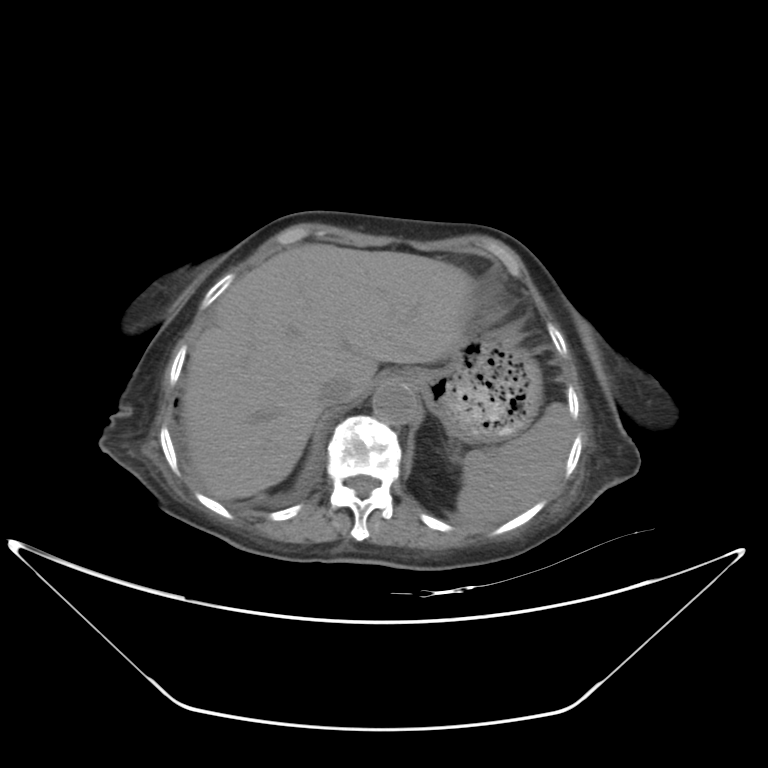

Abdominal CT; axial plane, index 64; soft-tissue window; 768x768 px; female patient aged 90 or older
One row per box, in pixels: columns x1 and y1 give the top-left corner, x2 and y2 the bottom-right.
| organ | x1 | y1 | x2 | y2 |
|---|---|---|---|---|
| liver | 181 | 244 | 473 | 499 |
| stomach | 406 | 327 | 542 | 442 |
| spleen | 457 | 402 | 574 | 523 |
| aorta | 372 | 381 | 416 | 424 |
| inferior vena cava | 318 | 374 | 354 | 406 |